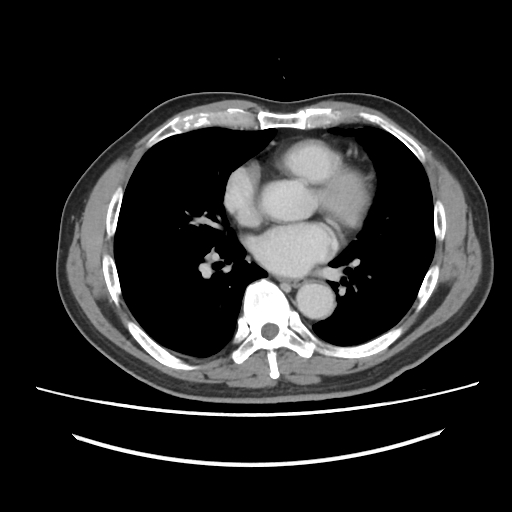
Abdominal CT reaching into the chest; this slice is in the chest. axial view. acquired on Aquilion ONE
At this level of the chest no structure but the esophagus and the aorta has a label in this dataset, and those two are boxed only where they are labeled.
Organ boxes in pixel coordinates; each row gives the top-left (x1, y1) and bottom-right (x2, y2) corners.
| organ | x1 | y1 | x2 | y2 |
|---|---|---|---|---|
| esophagus | 280 | 278 | 299 | 286 |
| aorta | 296 | 282 | 334 | 319 |